CT abdomen; axial view; SOMATOM Force scanner; scan has 15 labeled organs (counted over the whole 3D scan, not this slice; an organ is boxed only where this slice passes through it)
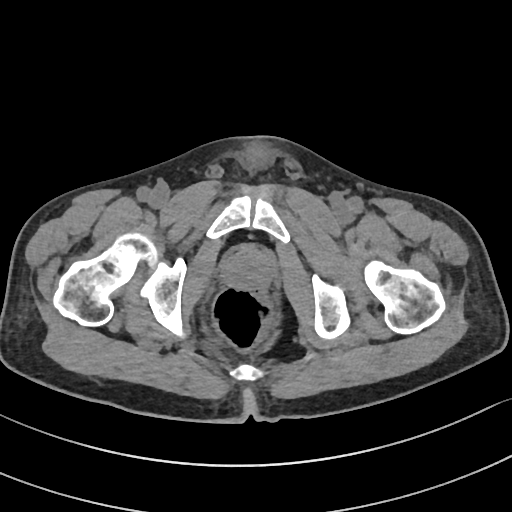

Organ boxes in pixel coordinates; each row gives the top-left (x1, y1) and bottom-right (x2, y2) corners.
| organ | x1 | y1 | x2 | y2 |
|---|---|---|---|---|
| prostate/uterus | 224 | 247 | 270 | 289 |